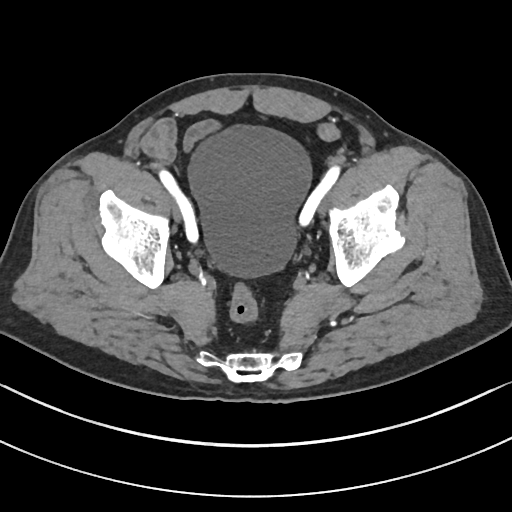

CT, abdomen/pelvis · axial view · acquired on SOMATOM Force
<organs><organ name="bladder" x1="189" y1="126" x2="311" y2="276"/></organs>